Computed tomography, abdomen · axial plane, index 202 · 15 organs annotated in this scan (counted over the whole 3D scan, not this slice; an organ is boxed only where this slice passes through it)
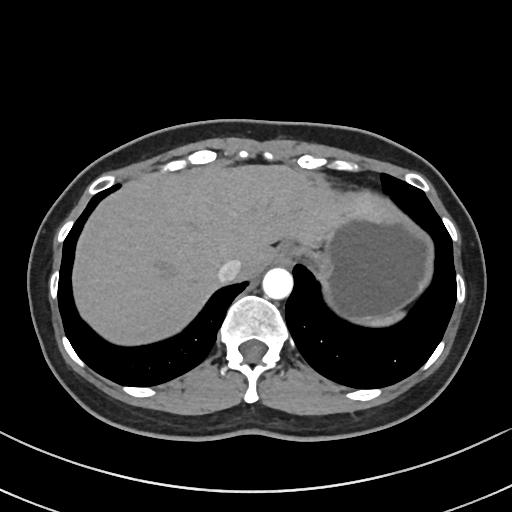
Box edges are left/top/right/bottom in pixels. Labeled organs on this slice: esophagus at left=272, top=244, right=292, bottom=266, aorta at left=262, top=268, right=292, bottom=300, stomach at left=314, top=215, right=431, bottom=315, spleen at left=352, top=310, right=406, bottom=326, inferior vena cava at left=218, top=258, right=242, bottom=281, liver at left=74, top=165, right=399, bottom=342.